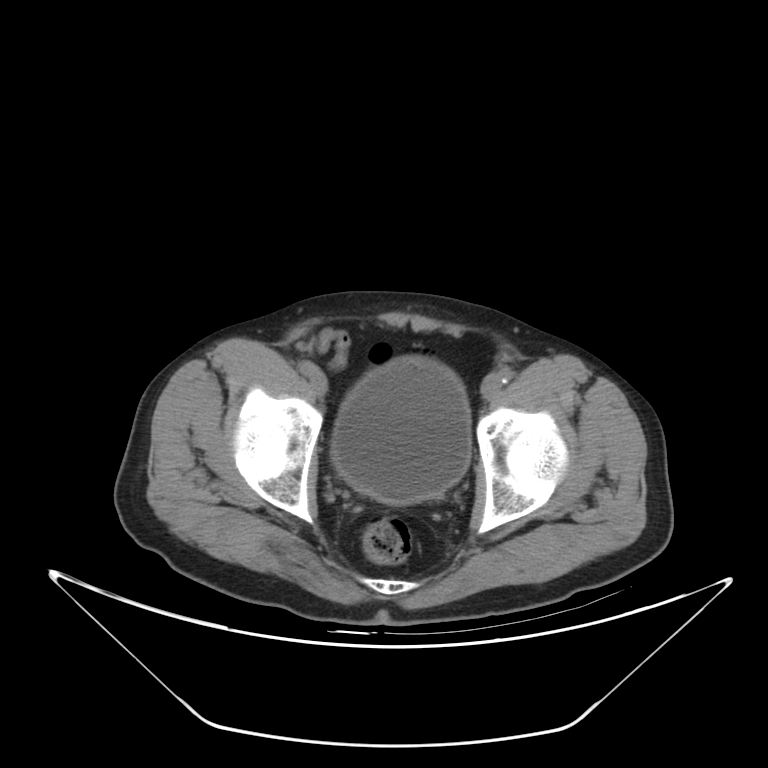
CT abdomen — axial view — soft-tissue window (W 400 / L 40) — 768x768 px
Organ boxes in pixel coordinates; each row gives the top-left (x1, y1) and bottom-right (x2, y2) corners.
| organ | x1 | y1 | x2 | y2 |
|---|---|---|---|---|
| bladder | 331 | 357 | 470 | 504 |